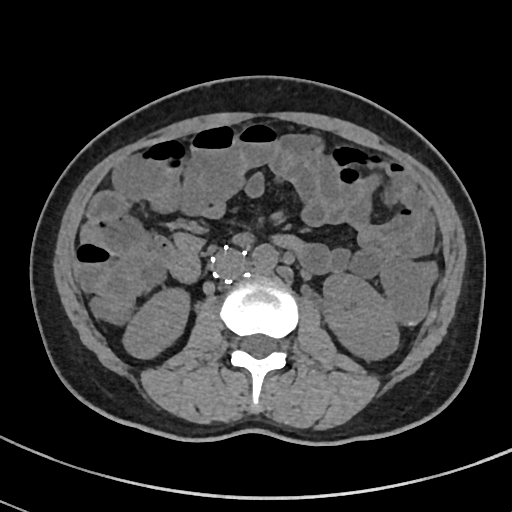

CT, abdomen/pelvis — Axial slice 134/218 — soft-tissue window — 512x512 px — scan has 15 labeled organs (a whole-scan count: organs this slice does not pass through have no box)
Boxes: x1 y1 x2 y2 (pixel coords, space-separated).
Organ bounding boxes:
- aorta: 252 245 278 273
- inferior vena cava: 213 248 247 279
- left kidney: 321 273 399 358
- right kidney: 121 287 190 360